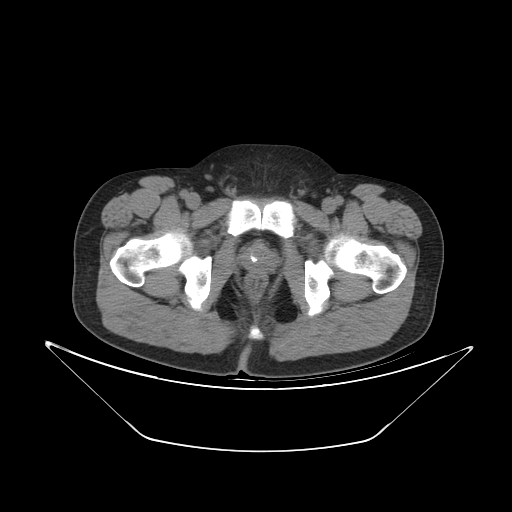 CT, abdomen/pelvis — axial view — acquired on Brilliance16 — scan has 15 labeled organs (that count is for the whole scan; organs this slice misses have no box)
<organs><organ name="prostate/uterus" x1="241" y1="244" x2="275" y2="272"/></organs>